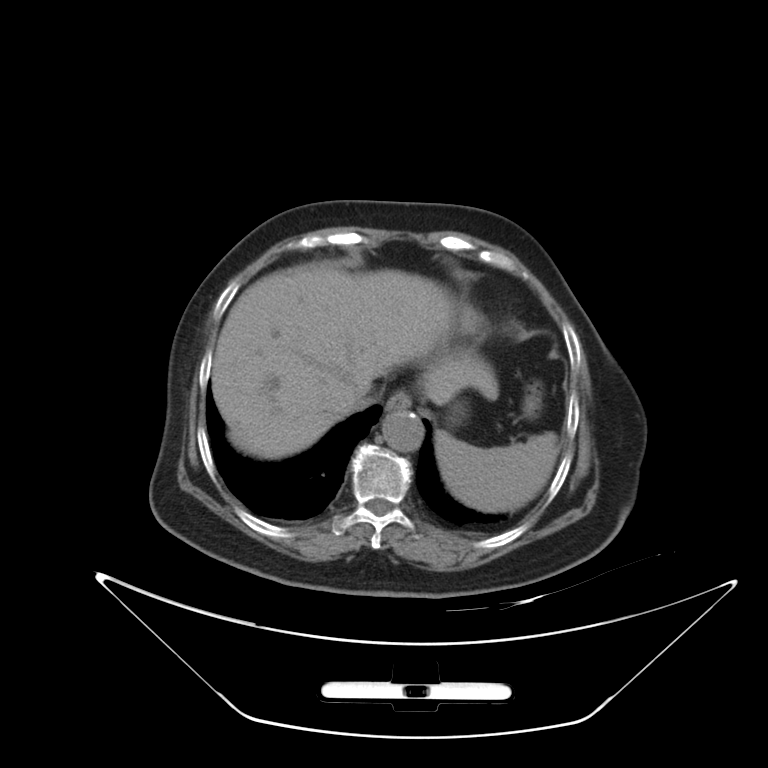
CT, abdomen/pelvis — axial view — 768x768 px — 78-year-old female patient
Bounding boxes as [x1, y1, x2, y2] in pixel coordinates.
Organ bounding boxes:
- spleen: [435, 430, 559, 512]
- esophagus: [385, 391, 411, 411]
- liver: [212, 266, 497, 459]
- aorta: [382, 410, 423, 452]
- inferior vena cava: [337, 380, 375, 413]